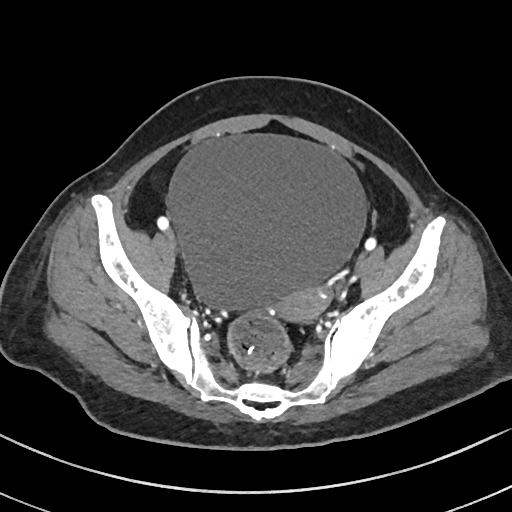 Abdominal CT; axial view; abdomen soft-tissue window; acquired on SOMATOM Force
Boxes: x1:y1:x2:y2 in pixels. The annotated organs in this slice are: bladder at 169:134:365:311, prostate/uterus at 277:287:325:323.